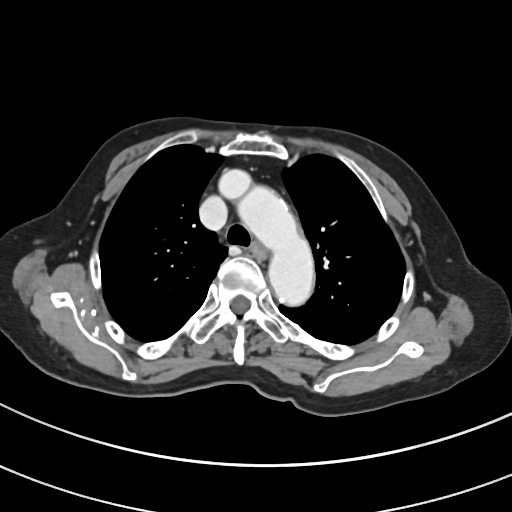
Abdominal CT reaching into the chest; this slice is in the chest. axial plane, index 248. soft-tissue window. 15 organs annotated in this scan (that count is for the whole scan; organs this slice misses have no box)
At this level of the chest this dataset labels only the esophagus and the aorta, and each is boxed only where it is labeled; the heart and lungs are never labeled.
Coordinates as <box>x1,y1,x2,y2</box> in pixels.
Organ bounding boxes:
- esophagus: <box>252,244,270,259</box>
- aorta: <box>220,170,314,308</box>